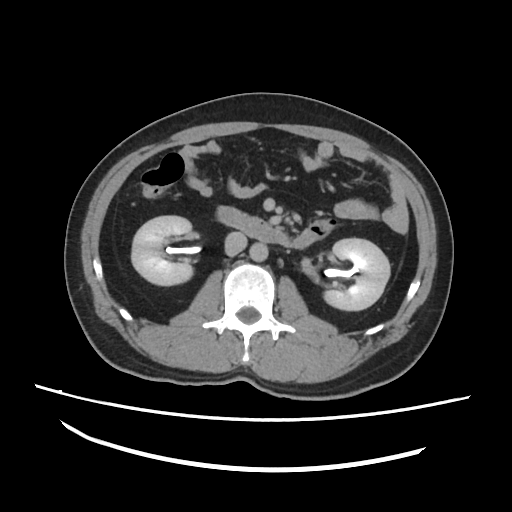 Computed tomography, abdomen; axial view; 512x512 px; 44-year-old male patient; Aquilion ONE scanner; scan has 15 labeled organs (a whole-scan count: organs this slice does not pass through have no box)
Box edges are left/top/right/bottom in pixels.
left kidney: left=324, top=238, right=390, bottom=310
aorta: left=251, top=242, right=267, bottom=260
right kidney: left=132, top=215, right=192, bottom=285
inferior vena cava: left=224, top=232, right=246, bottom=254
duodenum: left=217, top=208, right=330, bottom=248